Abdominal CT; Axial slice 66/242; acquired on SOMATOM Force; 15 organs annotated in this scan (that count is for the whole scan; organs this slice misses have no box)
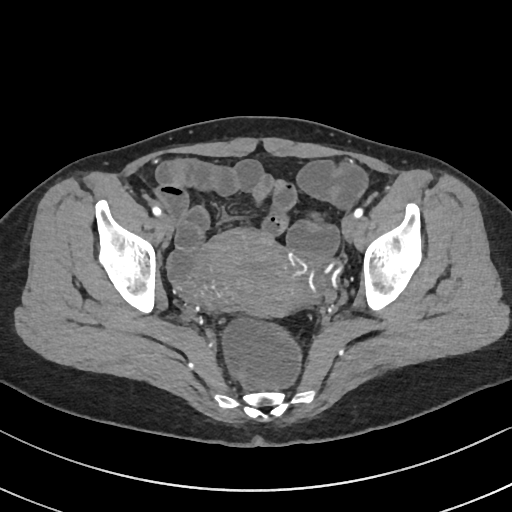

{"organs":{"prostate/uterus":[195,229,292,315]}}